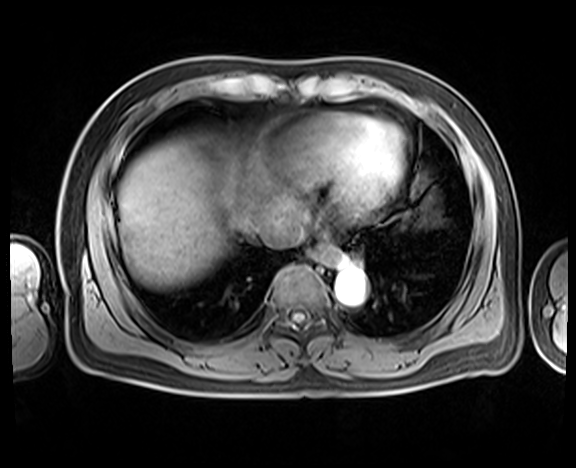 Magnetic resonance imaging, abdomen. axial plane, index 65. 1st–99th percentile window. 13 organs annotated in this scan (that count is for the whole scan; organs this slice misses have no box)
{"organs":{"esophagus":[308,246,345,267],"liver":[118,138,254,286],"inferior vena cava":[259,215,304,247],"aorta":[335,269,365,303]}}